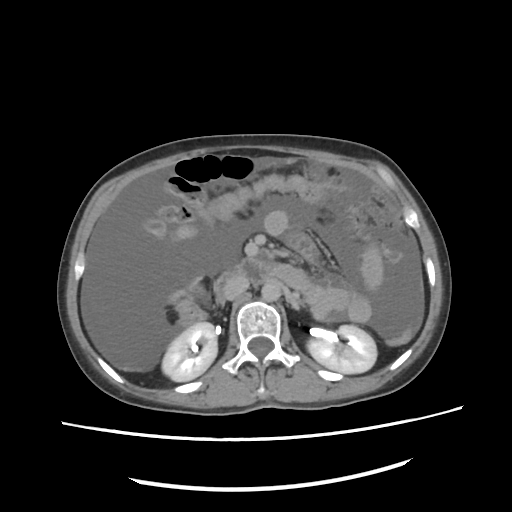

Abdominal CT — axial plane, index 74 — abdomen soft-tissue window — 512x512 px — 39-year-old female patient
Boxes: x1 y1 x2 y2 (pixel coords, space-separated).
right kidney: 161 321 217 381
left kidney: 306 324 376 371
aorta: 260 280 281 300
inferior vena cava: 224 277 249 299
duodenum: 213 260 271 303